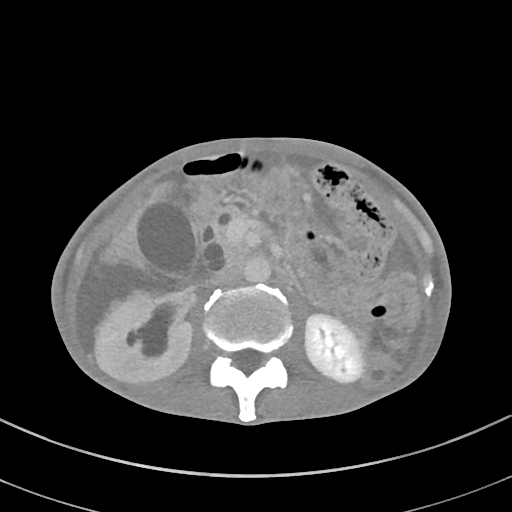 Abdominal CT — axial view — soft-tissue window — SOMATOM Force scanner — 15 organs annotated in this scan (counted over the whole 3D scan, not this slice; an organ is boxed only where this slice passes through it)
<organs><organ name="duodenum" x1="191" y1="210" x2="209" y2="233"/><organ name="inferior vena cava" x1="210" y1="265" x2="239" y2="285"/><organ name="right kidney" x1="95" y1="291" x2="191" y2="383"/><organ name="aorta" x1="244" y1="256" x2="271" y2="282"/><organ name="pancreas" x1="211" y1="205" x2="249" y2="257"/><organ name="left kidney" x1="95" y1="314" x2="363" y2="382"/><organ name="liver" x1="101" y1="181" x2="175" y2="266"/><organ name="gall bladder" x1="136" y1="199" x2="199" y2="278"/></organs>